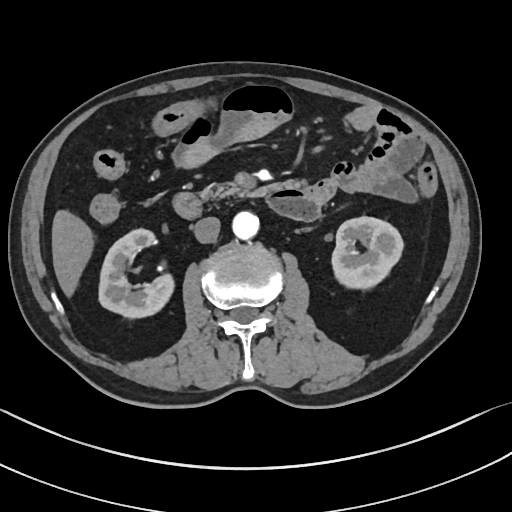
CT, abdomen/pelvis; axial view; 512x512 px
Boxes are (x1, y1, x2, y2) in pixels.
right kidney: (98, 228, 174, 318)
left kidney: (332, 216, 403, 288)
liver: (52, 210, 93, 297)
aorta: (232, 211, 258, 239)
inferior vena cava: (193, 216, 220, 243)
pancreas: (200, 184, 263, 200)
duodenum: (172, 189, 321, 219)